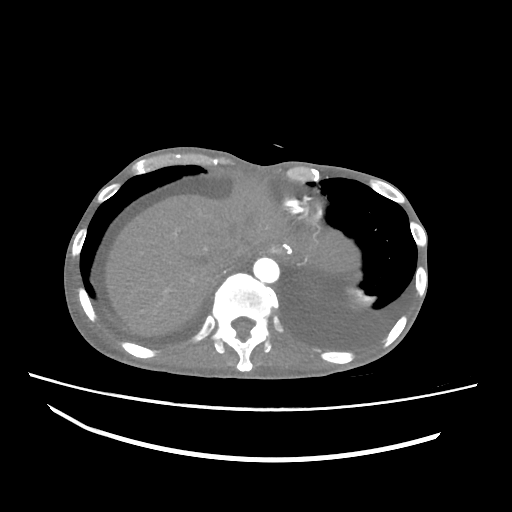 CT abdomen; axial view; abdomen soft-tissue window; scan has 15 labeled organs (a whole-scan count: organs this slice does not pass through have no box)
Box edges are left/top/right/bottom in pixels.
Organ bounding boxes:
- esophagus: left=265, top=243, right=290, bottom=255
- aorta: left=253, top=257, right=279, bottom=283
- liver: left=104, top=176, right=326, bottom=336
- inferior vena cava: left=214, top=251, right=238, bottom=271